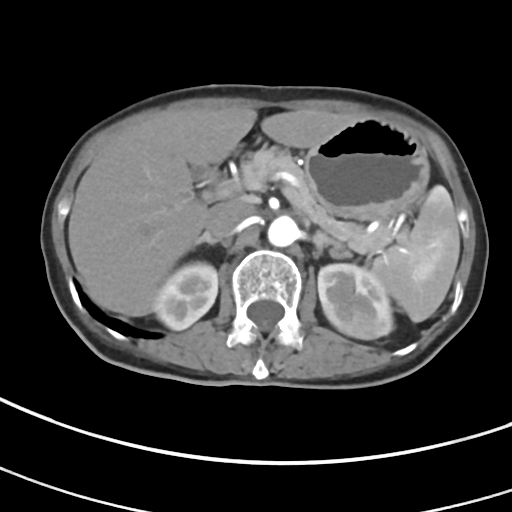 Computed tomography, abdomen · axial plane, index 60 · abdomen soft-tissue window · 512x512 px
Boxes are (x1, y1, x2, y2) in pixels.
Organ bounding boxes:
- liver: (68, 107, 353, 316)
- right adrenal gland: (196, 230, 217, 244)
- left kidney: (317, 264, 393, 339)
- spleen: (372, 185, 460, 322)
- stomach: (304, 117, 428, 221)
- aorta: (267, 215, 299, 247)
- inferior vena cava: (204, 200, 251, 239)
- gall bladder: (193, 168, 210, 179)
- pancreas: (242, 148, 391, 253)
- left adrenal gland: (313, 232, 347, 251)
- right kidney: (153, 261, 217, 330)